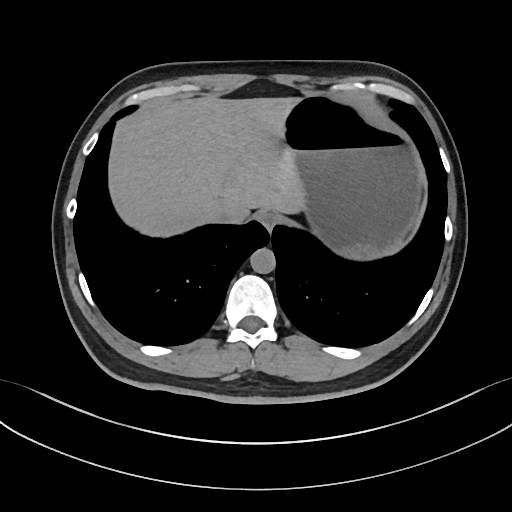
CT abdomen. axial view. 512x512 px
{"organs":{"liver":[109,96,304,236],"inferior vena cava":[210,201,245,222],"esophagus":[256,210,278,230],"aorta":[250,248,275,273],"stomach":[283,95,421,259]}}